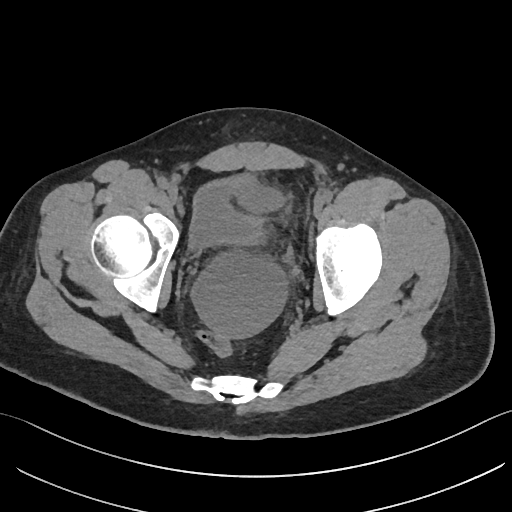

CT abdomen — axial plane, index 32 — soft-tissue window — 512x512 px
Box edges are left/top/right/bottom in pixels.
bladder: left=190, top=174, right=264, bottom=246